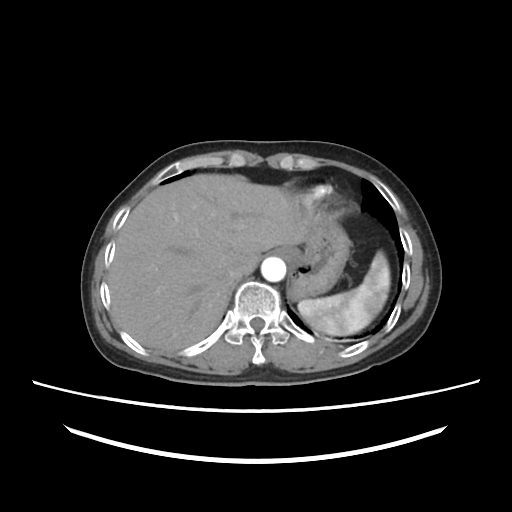 Computed tomography, abdomen — Axial slice 80/96 — W/L 400/40 HU
One row per box, in pixels: columns x1 and y1 give the top-left corner, x2 and y2 the bottom-right.
| organ | x1 | y1 | x2 | y2 |
|---|---|---|---|---|
| spleen | 298 | 251 | 389 | 336 |
| esophagus | 273 | 248 | 292 | 260 |
| liver | 108 | 174 | 312 | 350 |
| stomach | 290 | 212 | 349 | 299 |
| aorta | 261 | 257 | 285 | 281 |
| inferior vena cava | 223 | 264 | 242 | 279 |